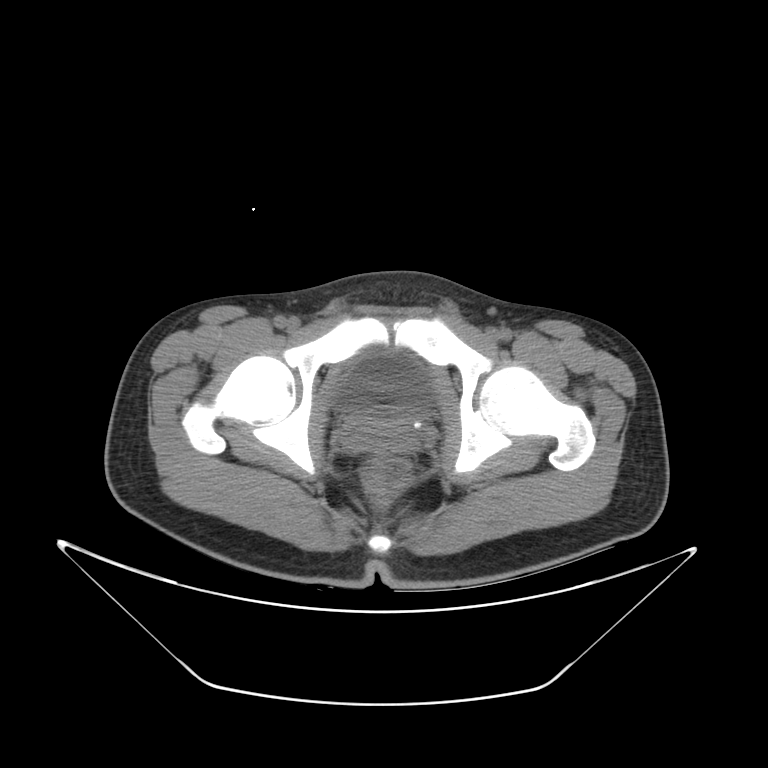
CT, abdomen/pelvis — axial view — soft-tissue window (W 400 / L 40) — Brilliance16 scanner
<organs><organ name="bladder" x1="336" y1="349" x2="436" y2="417"/></organs>